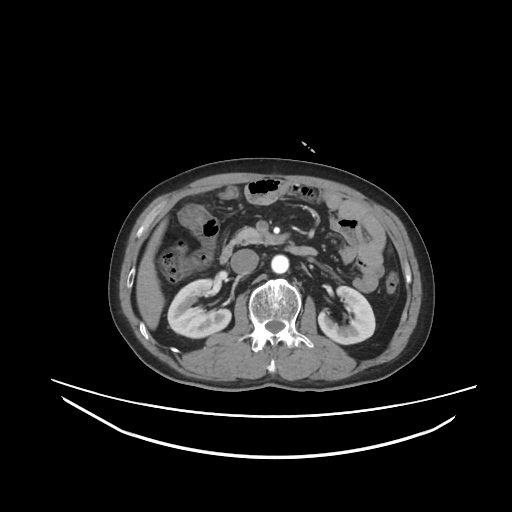
CT, abdomen/pelvis; Axial slice 66/134; abdomen soft-tissue window; 512x512 px; 15 organs annotated in this scan (a whole-scan count: organs this slice does not pass through have no box)
Boxes are (x1, y1, x2, y2) in pixels.
Organ bounding boxes:
- right kidney: (167, 279, 231, 338)
- left kidney: (318, 286, 375, 344)
- liver: (136, 219, 167, 329)
- aorta: (271, 254, 289, 273)
- inferior vena cava: (231, 249, 258, 275)
- pancreas: (231, 227, 274, 244)
- duodenum: (220, 244, 317, 263)